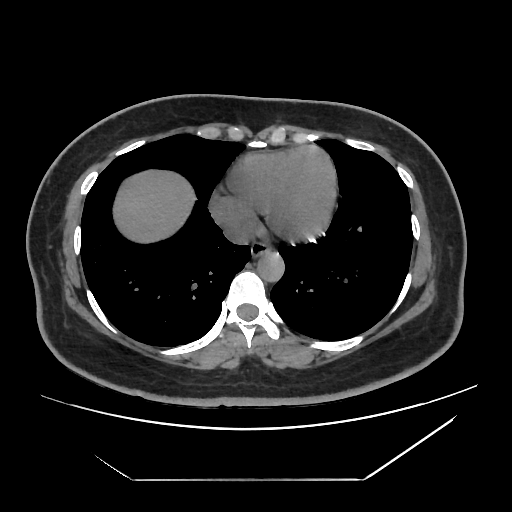
CT abdomen; axial view; 15 organs annotated in this scan (that count is for the whole scan; organs this slice misses have no box)
{"organs":{"esophagus":[250,243,270,258],"liver":[114,171,195,242],"aorta":[257,252,284,282],"inferior vena cava":[223,222,252,244]}}